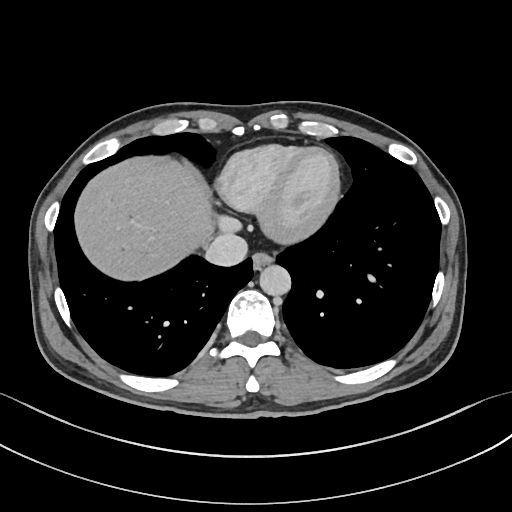

CT abdomen — axial view
{"organs":{"esophagus":[252,252,273,269],"liver":[74,157,213,280],"aorta":[259,265,291,295],"inferior vena cava":[205,233,247,266]}}